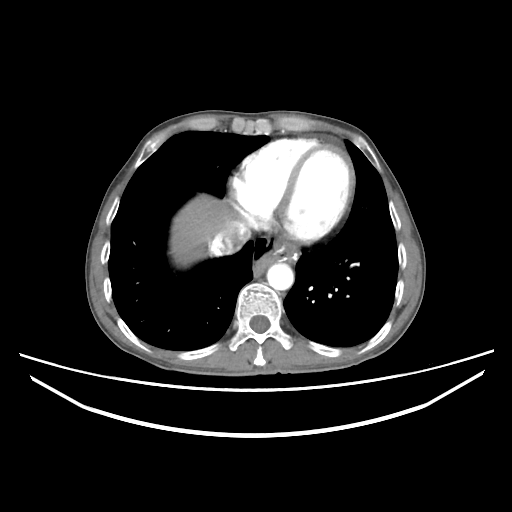
Computed tomography, abdomen — axial plane, index 76
Box edges are left/top/right/bottom in pixels.
Organ bounding boxes:
- aorta: left=267, top=263, right=293, bottom=290
- inferior vena cava: left=210, top=223, right=250, bottom=255
- liver: left=171, top=194, right=231, bottom=264